Abdominal CT — axial view — soft-tissue window (W 400 / L 40) — 512x512 px
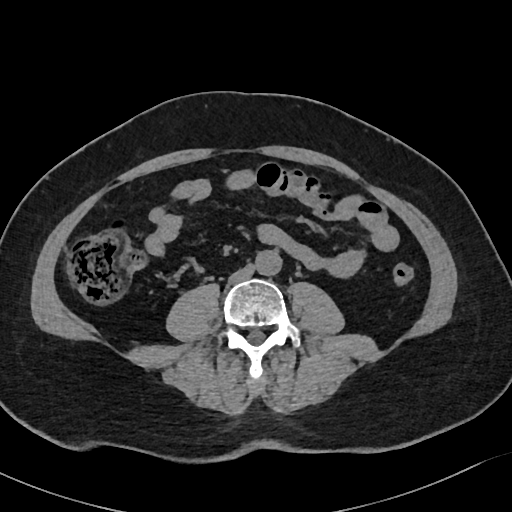

<organs><organ name="aorta" x1="255" y1="250" x2="282" y2="275"/><organ name="inferior vena cava" x1="228" y1="265" x2="254" y2="283"/></organs>